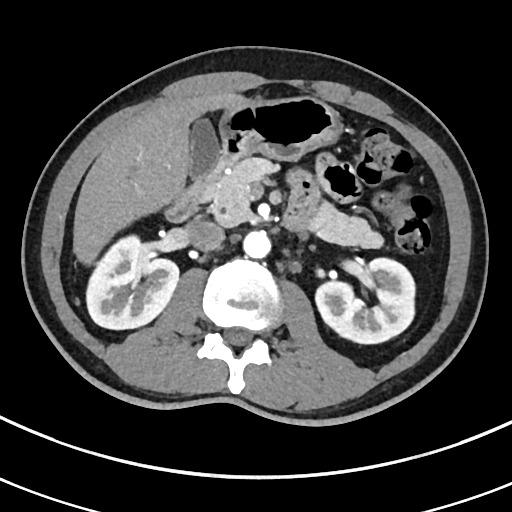

Abdominal CT. axial plane, index 133. SOMATOM Force scanner
Bounding boxes as [x1, y1, x2, y2] in pixel coordinates. Labeled organs on this slice: right kidney at [86, 234, 178, 329], left kidney at [315, 258, 415, 343], gall bladder at [190, 118, 218, 174], liver at [73, 91, 248, 264], stomach at [220, 97, 341, 160], aorta at [243, 230, 270, 258], inferior vena cava at [184, 218, 224, 251], pancreas at [210, 158, 383, 247], duodenum at [165, 135, 245, 222].